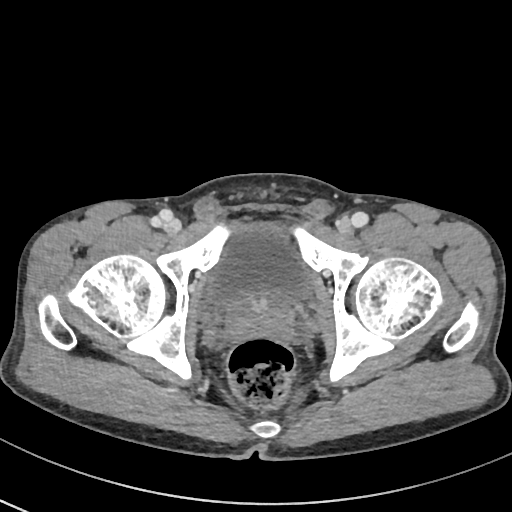

CT, abdomen/pelvis; axial view; soft-tissue window (W 400 / L 40); 512x512 px
Boxes: x1 y1 x2 y2 (pixel coords, space-separated).
Organ bounding boxes:
- bladder: 210 230 308 301
- prostate/uterus: 226 288 293 338